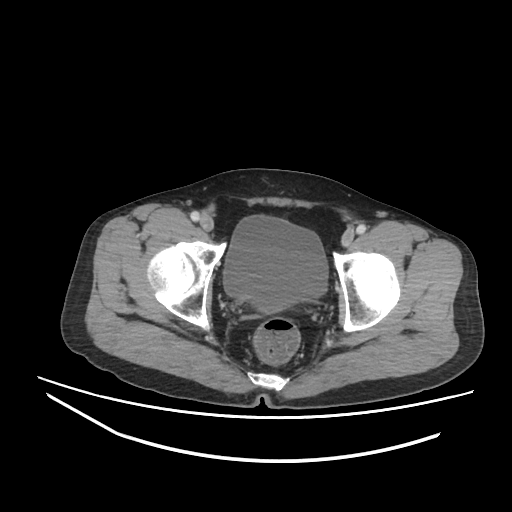
Computed tomography, abdomen · axial view · abdomen soft-tissue window · 54-year-old male patient · 15 organs annotated in this scan (that count is for the whole scan; organs this slice misses have no box)
Box edges are left/top/right/bottom in pixels.
Organ bounding boxes:
- bladder: left=223, top=215, right=327, bottom=311